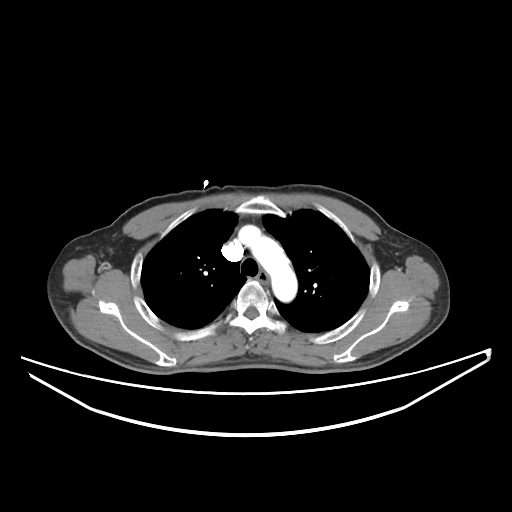 Chest-level slice from an abdominal CT that extends up into the chest — Axial slice 107/120 — 62-year-old male patient
On a slice this high in the chest, this dataset labels only the esophagus and the aorta, and each is boxed only where it is labeled; the heart, lungs and other chest structures are not labeled.
{"organs":{"esophagus":[257,271,269,284],"aorta":[239,225,297,302]}}